Abdominal CT; axial view; soft-tissue window; SOMATOM Force scanner
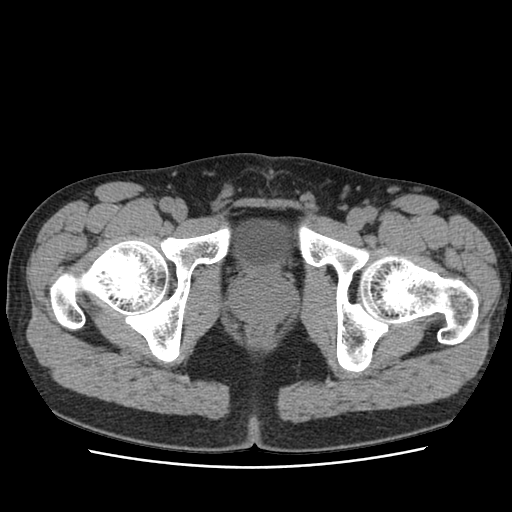
Coordinates as <box>x1,y1,x2,y2</box> in pixels. 2 labeled organs on this slice — bladder at <box>236,220,289,267</box>; prostate/uterus at <box>229,268,295,324</box>.